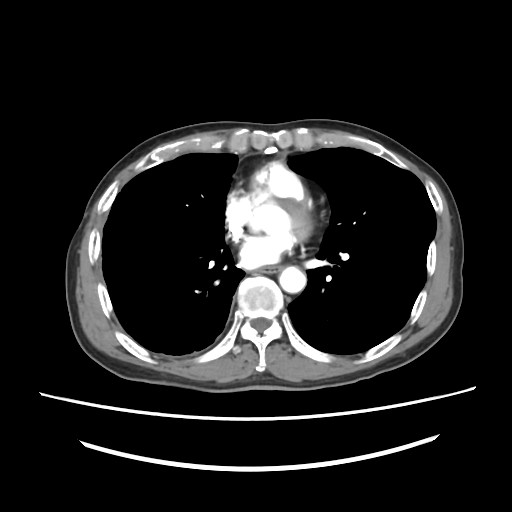 Abdominal CT reaching into the chest; this slice is in the chest · Axial slice 93/134 · Aquilion ONE scanner
At this level of the chest this dataset labels only the esophagus and the aorta, and each is boxed only where it is labeled; the heart and lungs are never labeled.
Bounding boxes as [x1, y1, x2, y2] in pixel coordinates.
Organ bounding boxes:
- esophagus: [258, 266, 281, 272]
- aorta: [279, 266, 305, 292]